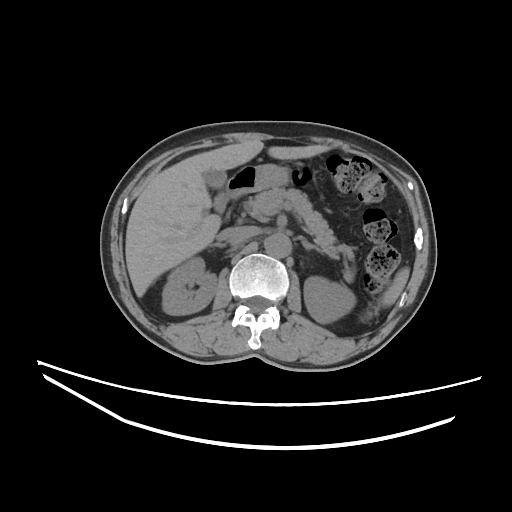 CT abdomen; axial view; 512x512 px; acquired on Aquilion ONE
{"organs":{"gall bladder":[203,169,226,212],"right kidney":[162,257,216,314],"stomach":[230,164,291,192],"inferior vena cava":[218,226,256,245],"right adrenal gland":[213,243,225,247],"left adrenal gland":[302,238,322,253],"aorta":[264,233,291,257],"duodenum":[226,180,244,198],"left kidney":[303,276,356,323],"pancreas":[244,187,351,260],"spleen":[378,267,409,307],"liver":[125,140,328,296]}}